CT abdomen · axial plane, index 118 · 512x512 px
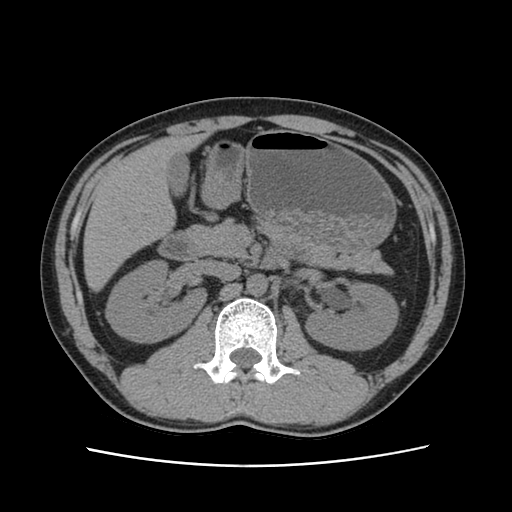

One row per box, in pixels: columns x1 and y1 give the top-left corner, x2 and y2 the bottom-right.
| organ | x1 | y1 | x2 | y2 |
|---|---|---|---|---|
| right kidney | 105 | 260 | 206 | 342 |
| left kidney | 305 | 281 | 398 | 350 |
| gall bladder | 167 | 154 | 189 | 196 |
| liver | 83 | 133 | 208 | 291 |
| stomach | 202 | 129 | 395 | 252 |
| aorta | 246 | 274 | 267 | 295 |
| inferior vena cava | 204 | 260 | 240 | 280 |
| pancreas | 186 | 219 | 392 | 274 |
| duodenum | 158 | 231 | 281 | 268 |